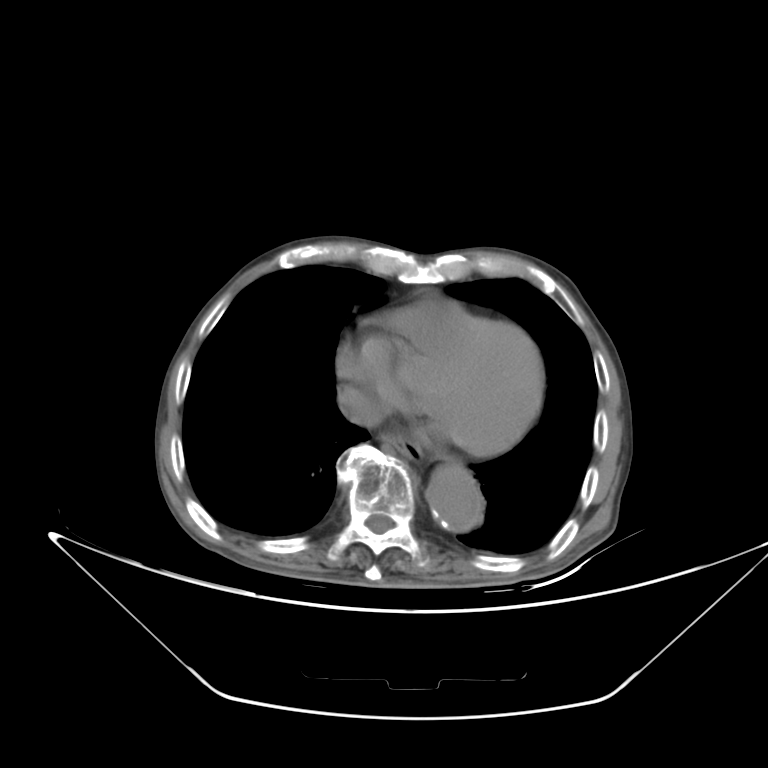
Abdominal CT; this slice is in the lower chest, just above the liver · axial view · soft-tissue window (W 400 / L 40) · male patient aged 90 or older
Of the structures in the chest, this dataset labels only the esophagus, the aorta and the inferior vena cava; the heart and lungs have no label.
{"organs":{"esophagus":[383,432,414,462],"inferior vena cava":[336,386,382,429],"aorta":[426,463,484,533]}}